Computed tomography, abdomen; axial view; 15 organs annotated in this scan (that count is for the whole scan; organs this slice misses have no box)
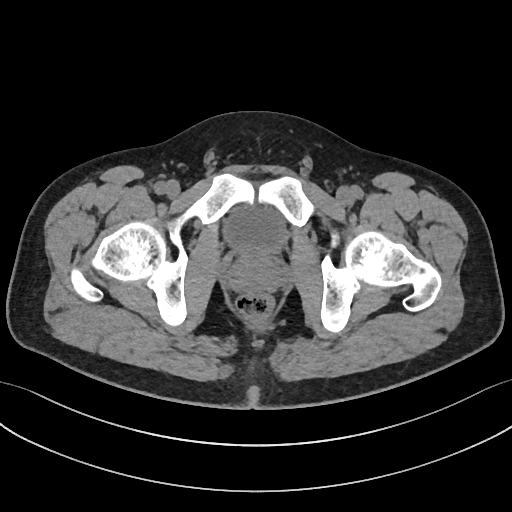

Bounding boxes as [x1, y1, x2, y2] in pixel coordinates.
bladder: [224, 205, 287, 252]
prostate/uterus: [228, 251, 282, 292]